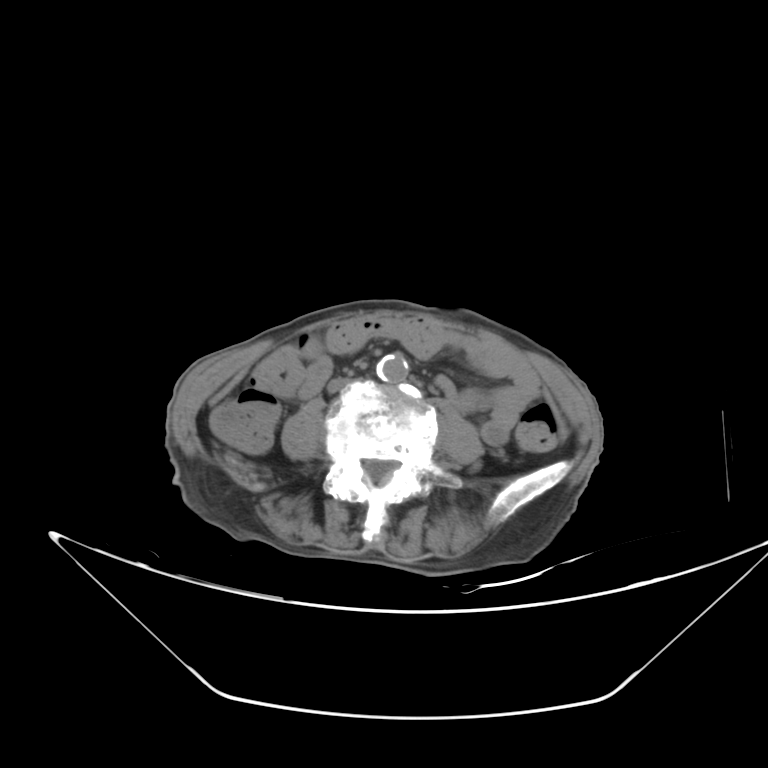

Abdominal CT — Axial slice 42/80 — soft-tissue window (W 400 / L 40)
Boxes are (x1, y1, x2, y2) in pixels. Labeled organs on this slice: left kidney at (574, 421, 575, 422), inferior vena cava at (328, 376, 352, 395), aorta at (376, 352, 404, 380).